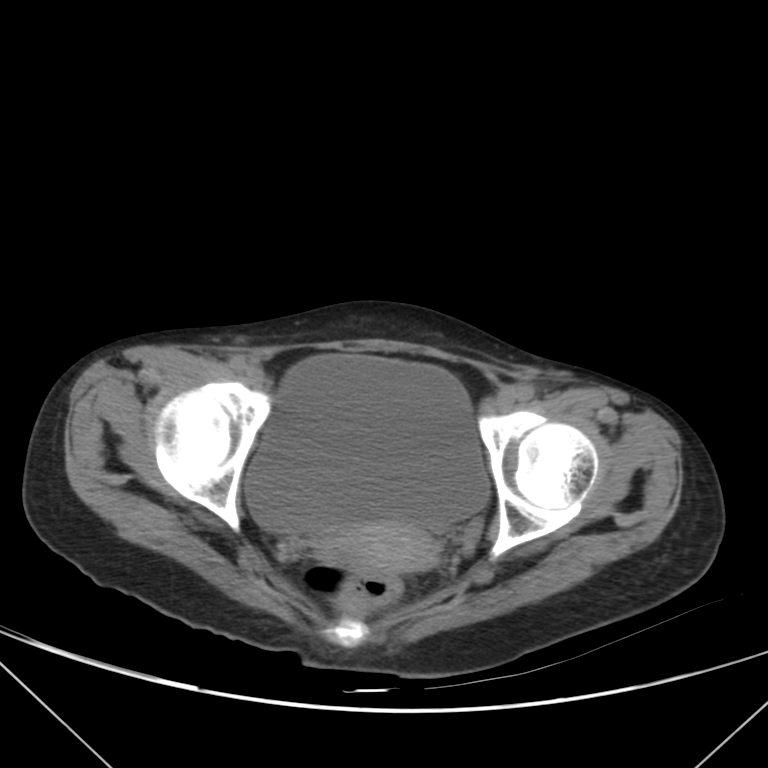 Abdominal CT — axial view — soft-tissue window — 768x768 px — acquired on Brilliance16
<organs><organ name="bladder" x1="245" y1="355" x2="490" y2="534"/><organ name="prostate/uterus" x1="324" y1="521" x2="437" y2="572"/></organs>